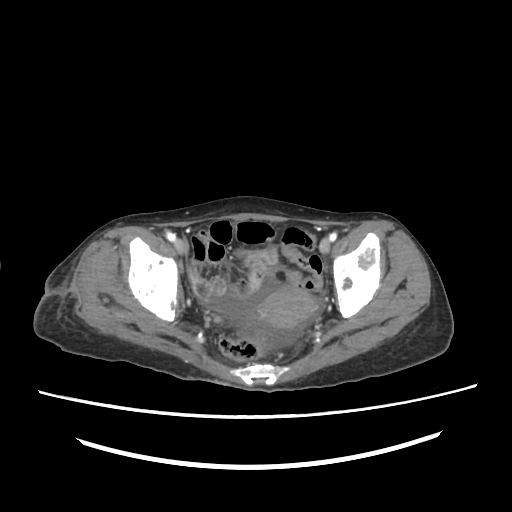 CT, abdomen/pelvis. axial view. W/L 400/40 HU. 48-year-old female patient
Boxes: x1 y1 x2 y2 (pixel coords, space-separated).
prostate/uterus: 258 287 317 327